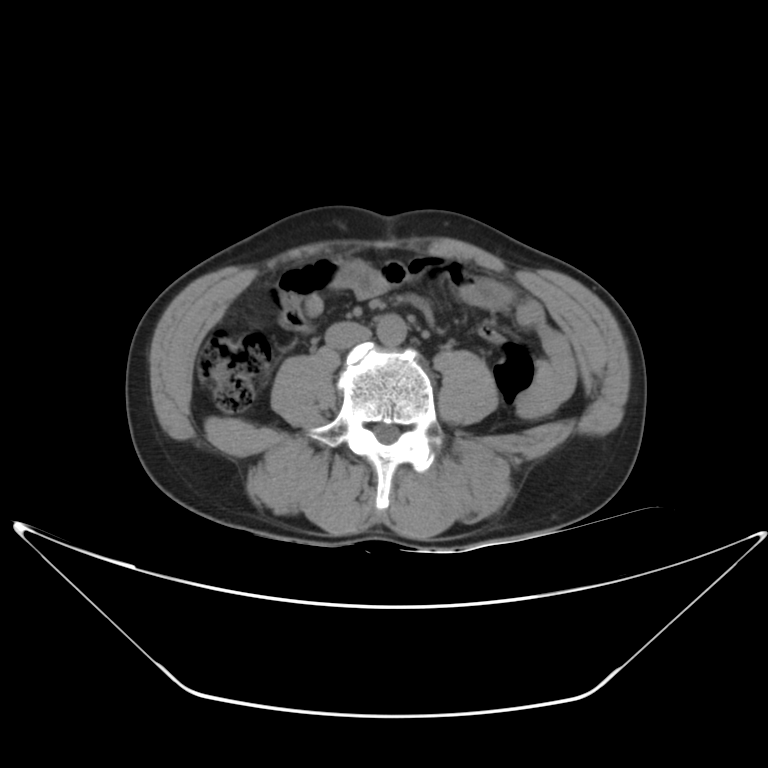
Computed tomography, abdomen; axial view
Boxes: x1:y1:x2:y2 in pixels.
Organ bounding boxes:
- aorta: 374:314:405:346
- inferior vena cava: 324:322:367:347